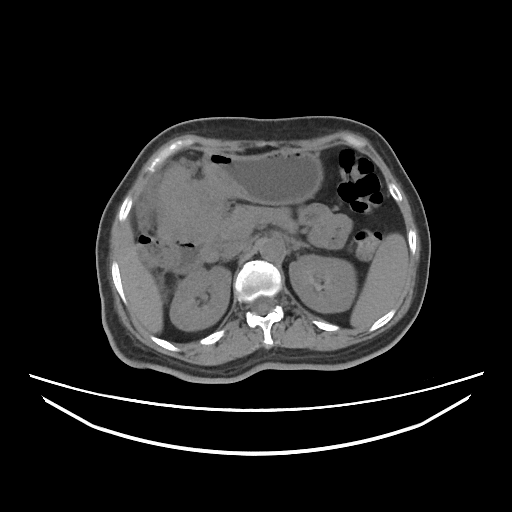 CT, abdomen/pelvis. Axial slice 73/97. 512x512 px
Boxes: x1:y1:x2:y2 in pixels.
spleen: 350:233:408:328
right kidney: 170:266:230:330
left kidney: 289:255:356:312
liver: 117:222:162:333
stomach: 158:149:322:240
aorta: 258:238:284:261
inferior vena cava: 220:242:248:259
pancreas: 205:206:297:243
left adrenal gland: 292:241:310:250
duodenum: 171:236:209:273